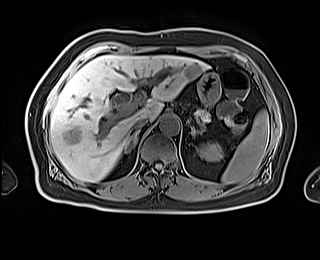

Abdominal MRI; axial view
Boxes: x1:y1:x2:y2 in pixels.
Organ bounding boxes:
- left adrenal gland: 191:126:200:137
- right adrenal gland: 125:131:138:153
- inferior vena cava: 130:116:149:132
- pancreas: 196:109:210:124
- left kidney: 198:142:222:161
- stomach: 197:72:220:104
- aorta: 159:115:179:134
- spleen: 221:110:269:184
- liver: 49:55:208:182